Abdominal CT · axial plane, index 67 · W/L 400/40 HU · 512x512 px · Aquilion ONE scanner
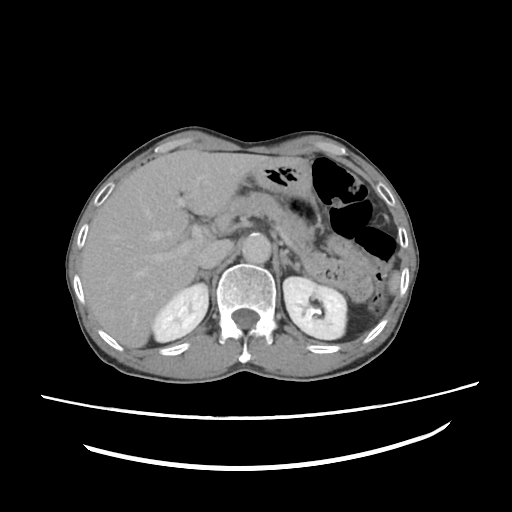
Bounding boxes as [x1, y1, x2, y2] in pixel coordinates.
spleen: [387, 272, 399, 292]
right kidney: [151, 282, 208, 343]
left kidney: [283, 277, 346, 339]
liver: [83, 148, 277, 348]
stomach: [249, 157, 311, 197]
aorta: [241, 232, 271, 264]
inferior vena cava: [197, 240, 231, 268]
pancreas: [216, 190, 313, 251]
right adrenal gland: [197, 271, 210, 285]
left adrenal gland: [280, 250, 304, 272]